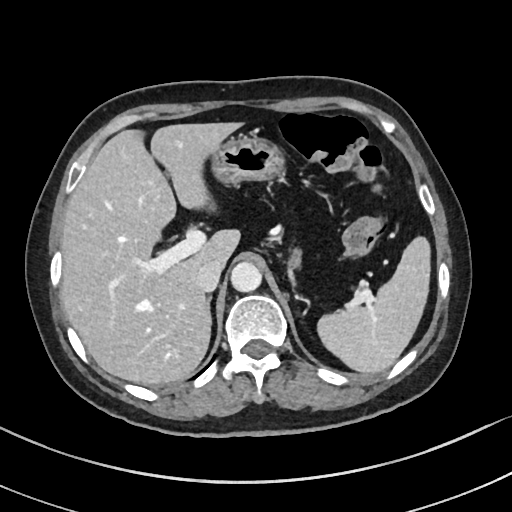
Abdominal CT — axial view
Boxes: x1:y1:x2:y2 in pixels. The annotated organs in this slice are: spleen at 317:236:430:373, liver at 60:122:242:385, stomach at 213:137:285:185, aorta at 231:261:262:292, inferior vena cava at 196:260:223:292, pancreas at 289:248:301:267, right adrenal gland at 208:298:210:303.